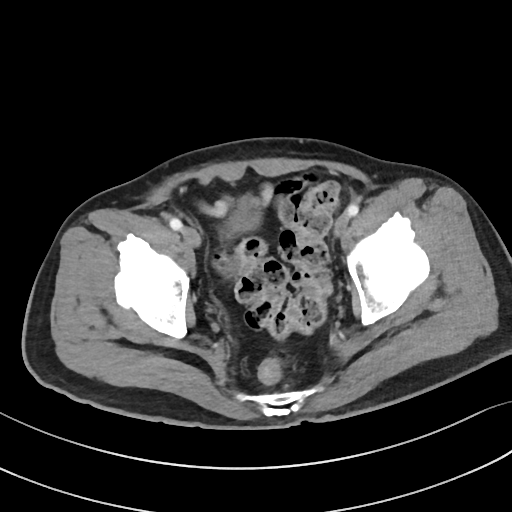 Computed tomography, abdomen · axial view
{"organs":{"bladder":[230,198,259,229]}}